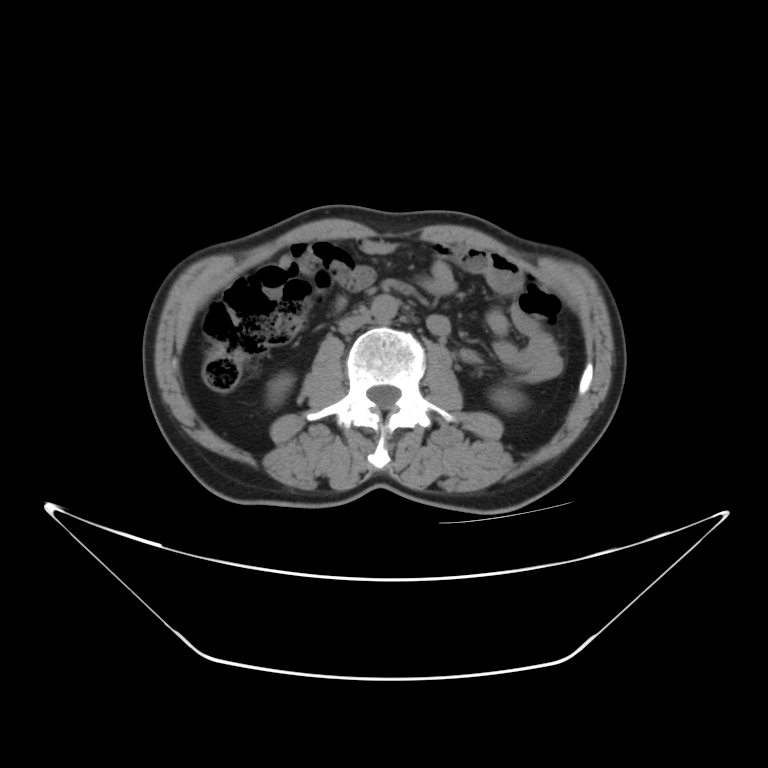

CT abdomen; axial view; W/L 400/40 HU; 15 organs annotated in this scan (counted over the whole 3D scan, not this slice; an organ is boxed only where this slice passes through it)
One row per box, in pixels: columns x1 and y1 give the top-left corner, x2 and y2 the bottom-right.
| organ | x1 | y1 | x2 | y2 |
|---|---|---|---|---|
| right kidney | 266 | 373 | 294 | 404 |
| left kidney | 492 | 391 | 514 | 411 |
| aorta | 371 | 294 | 397 | 322 |
| inferior vena cava | 339 | 315 | 370 | 332 |